CT abdomen — axial plane, index 68 — W/L 400/40 HU
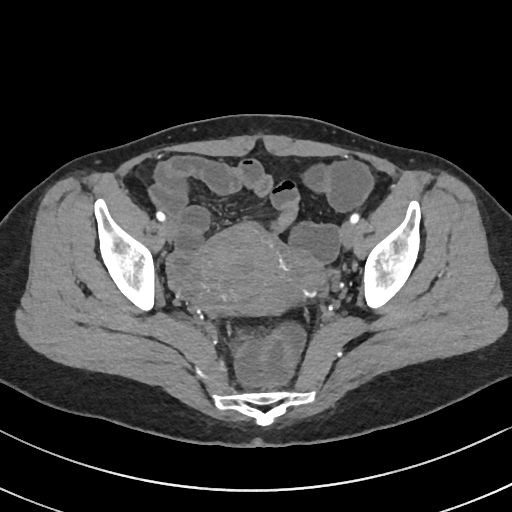
Coordinates as <box>x1,y1,x2,y2</box> in pixels.
Organ bounding boxes:
- prostate/uterus: <box>180,223,293,314</box>